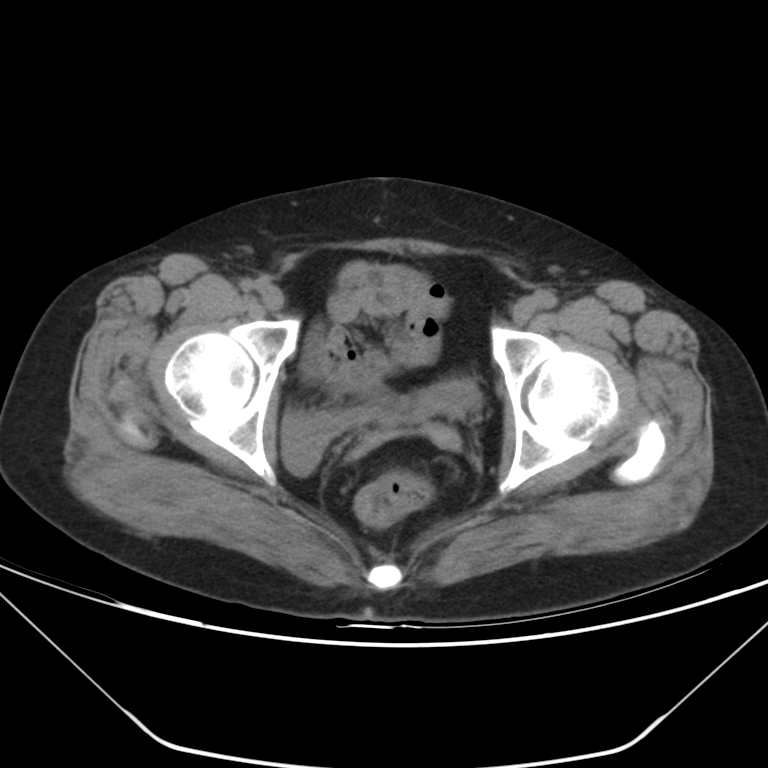
Abdominal CT; axial view; 768x768 px; 40-year-old male patient
Boxes: x1:y1:x2:y2 in pixels.
bladder: 281:380:479:474